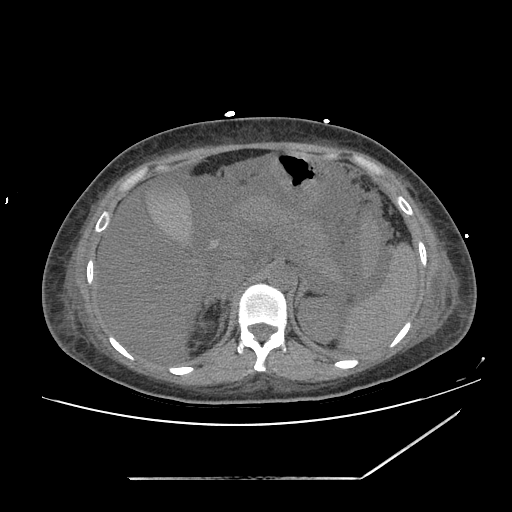
Abdominal CT · axial view
Boxes are (x1, y1, x2, y2) in pixels.
left kidney: (299, 299, 338, 341)
inferior vena cava: (213, 262, 246, 295)
gall bladder: (146, 177, 195, 246)
pancreas: (235, 196, 342, 279)
liver: (96, 178, 208, 363)
stomach: (269, 147, 327, 204)
left adrenal gland: (295, 275, 326, 309)
spleen: (335, 241, 418, 353)
right adrenal gland: (204, 296, 226, 336)
aorta: (268, 265, 293, 290)